CT, abdomen/pelvis · Axial slice 28/104
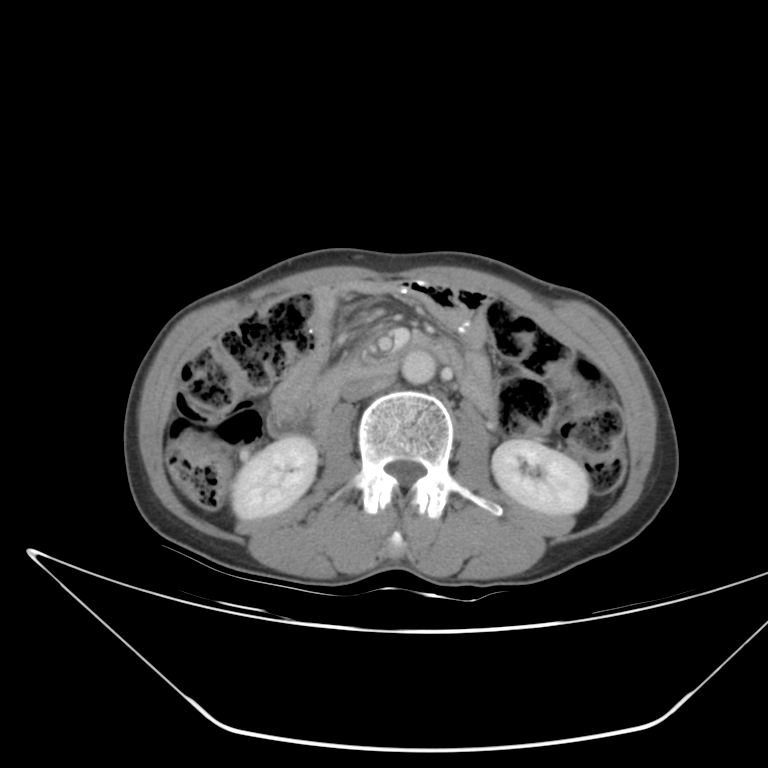
Each box given as x1,y1,x2,y2.
right kidney: x1=232, y1=438, x2=317, y2=520
left kidney: x1=492, y1=439, x2=587, y2=516
aorta: x1=401, y1=350, x2=435, y2=384
inferior vena cava: x1=342, y1=376, x2=397, y2=400
duodenum: x1=266, y1=355, x2=400, y2=453